Computed tomography, abdomen — Axial slice 88/126 — 512x512 px
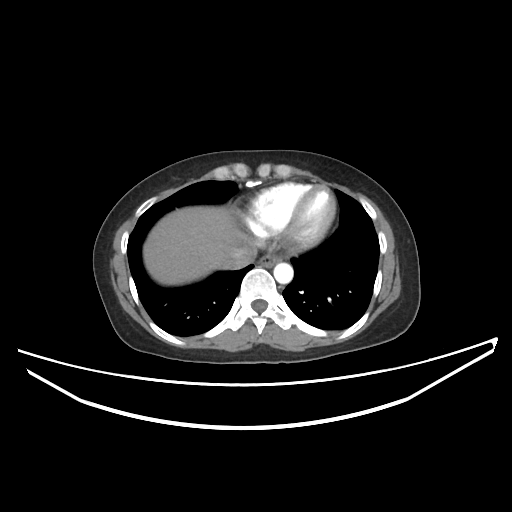
{"organs":{"esophagus":[259,253,281,267],"liver":[143,206,243,285],"aorta":[273,263,293,283],"inferior vena cava":[223,246,256,269]}}